CT, abdomen/pelvis. axial plane, index 22. acquired on SOMATOM Force
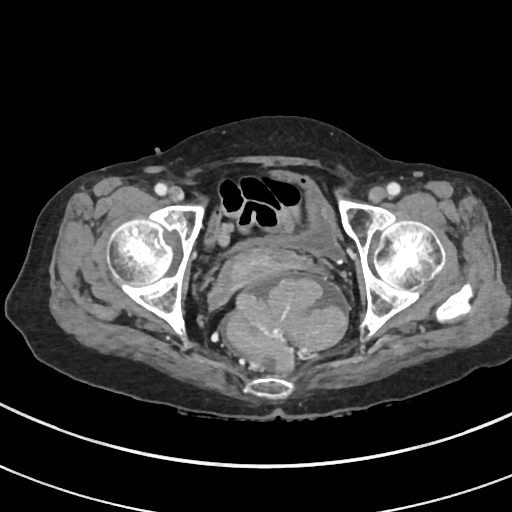

Box edges are left/top/right/bottom in pixels.
bladder: left=230, top=170, right=342, bottom=259
prostate/uterus: left=218, top=247, right=296, bottom=292